CT, abdomen/pelvis — axial plane, index 181 — scan has 15 labeled organs (that count is for the whole scan; organs this slice misses have no box)
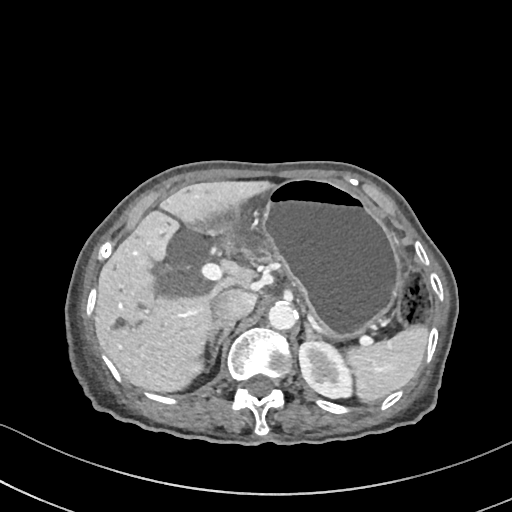

<organs><organ name="spleen" x1="343" y1="322" x2="429" y2="403"/><organ name="left kidney" x1="299" y1="341" x2="353" y2="399"/><organ name="gall bladder" x1="158" y1="268" x2="202" y2="296"/><organ name="liver" x1="94" y1="179" x2="280" y2="393"/><organ name="stomach" x1="263" y1="179" x2="402" y2="340"/><organ name="aorta" x1="267" y1="302" x2="296" y2="330"/><organ name="inferior vena cava" x1="213" y1="289" x2="256" y2="321"/><organ name="pancreas" x1="238" y1="236" x2="277" y2="263"/><organ name="right adrenal gland" x1="207" y1="322" x2="235" y2="366"/><organ name="left adrenal gland" x1="304" y1="323" x2="318" y2="341"/><organ name="duodenum" x1="190" y1="208" x2="239" y2="233"/></organs>